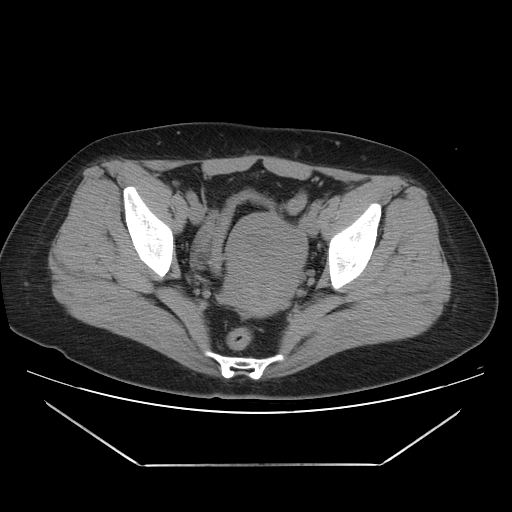
Computed tomography, abdomen — axial view — W/L 400/40 HU
One row per box, in pixels: columns x1 and y1 give the top-left corner, x2 and y2 the bottom-right.
| organ | x1 | y1 | x2 | y2 |
|---|---|---|---|---|
| prostate/uterus | 226 | 215 | 303 | 316 |